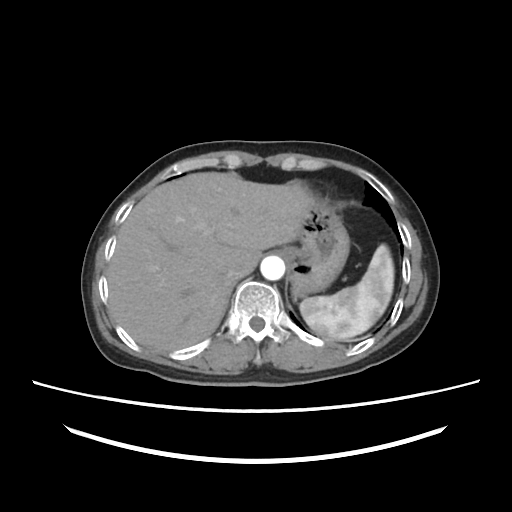
CT abdomen · axial plane, index 78 · 512x512 px
Organ boxes in pixel coordinates; each row gives the top-left (x1, y1) and bottom-right (x2, y2) corners.
| organ | x1 | y1 | x2 | y2 |
|---|---|---|---|---|
| aorta | 260 | 256 | 284 | 280 |
| inferior vena cava | 220 | 265 | 239 | 280 |
| liver | 107 | 172 | 314 | 351 |
| stomach | 283 | 198 | 348 | 297 |
| spleen | 299 | 244 | 394 | 339 |